CT abdomen — axial plane, index 90
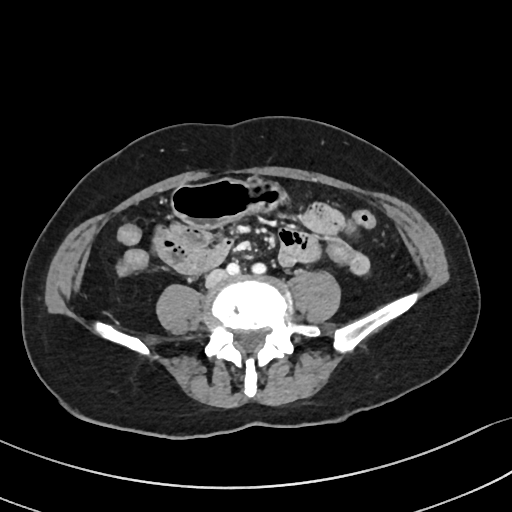 <organs><organ name="inferior vena cava" x1="207" y1="270" x2="226" y2="286"/><organ name="stomach" x1="172" y1="178" x2="285" y2="227"/></organs>